CT abdomen. axial view. scan has 15 labeled organs (a whole-scan count: organs this slice does not pass through have no box)
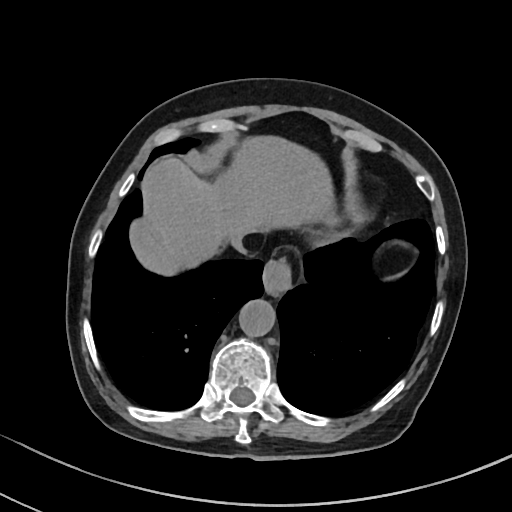
{"organs":{"esophagus":[263,258,291,294],"liver":[128,136,337,274],"stomach":[319,231,351,245],"aorta":[239,298,276,336],"inferior vena cava":[229,234,245,252]}}